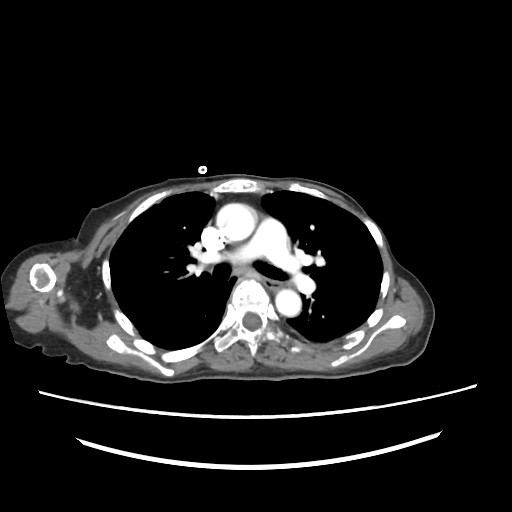
Abdominal CT; this slice is in the lower chest, just above the liver — axial view — soft-tissue window (W 400 / L 40)
The heart and lungs are never labeled in this dataset, so they have no box on this slice.
Boxes are (x1, y1, x2, y2) in pixels.
esophagus: (265, 280, 284, 289)
aorta: (216, 203, 257, 241)
aorta: (275, 289, 301, 316)